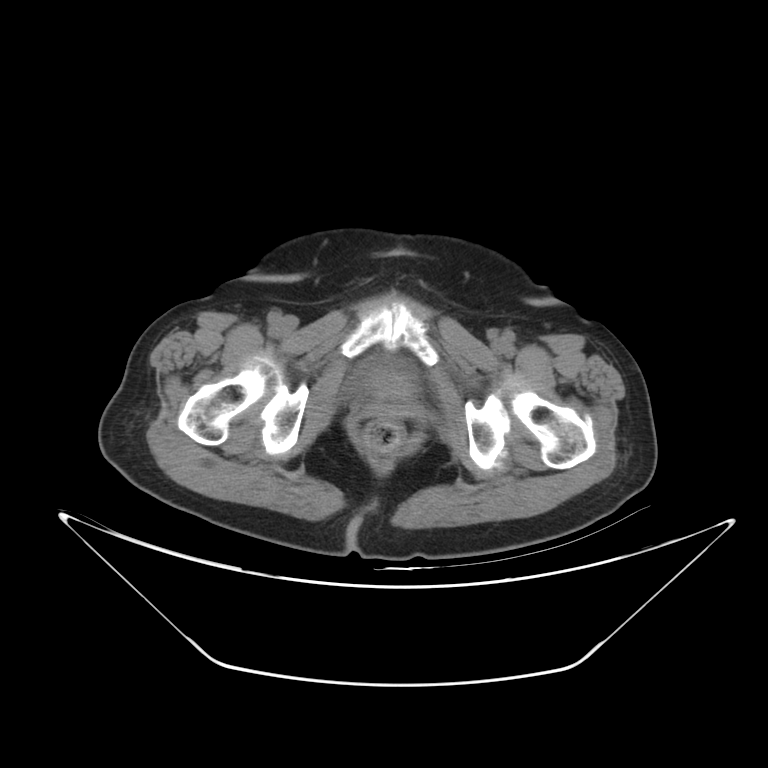

Abdominal CT — axial view — soft-tissue window — 768x768 px — 66-year-old female patient — acquired on Brilliance16
Bounding boxes in pixels, one row per box: x1, y1 is the top-left corner and x2, y2 the bottom-right.
| organ | x1 | y1 | x2 | y2 |
|---|---|---|---|---|
| bladder | 348 | 359 | 413 | 394 |